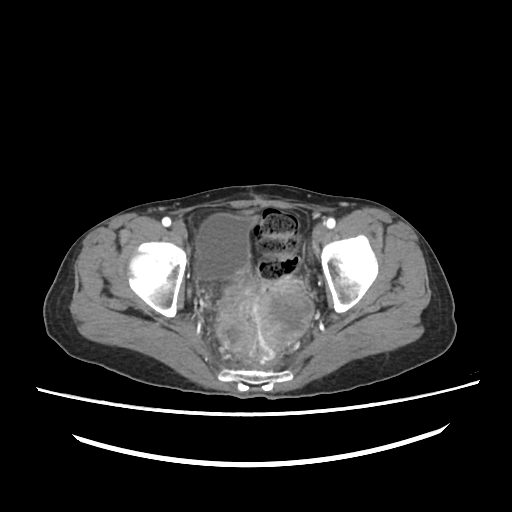

CT, abdomen/pelvis — axial view — scan has 15 labeled organs (a whole-scan count: organs this slice does not pass through have no box)
{"organs":{"bladder":[196,215,256,279],"prostate/uterus":[255,278,314,351]}}